Abdominal CT — axial view — 512x512 px
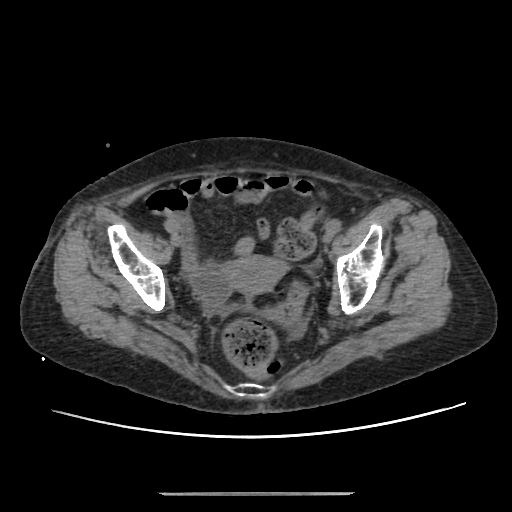
Coordinates as <box>x1,y1,x2,y2</box> in pixels.
prostate/uterus: <box>227,255,285,294</box>